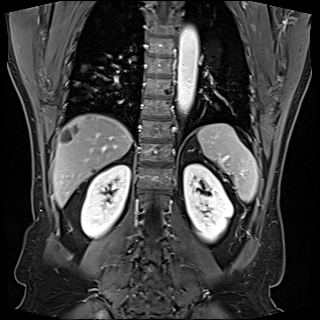

Magnetic resonance imaging, abdomen — Coronal slice 15/60 — 1st–99th percentile window
<organs><organ name="spleen" x1="197" y1="123" x2="258" y2="201"/><organ name="right kidney" x1="81" y1="164" x2="130" y2="237"/><organ name="left kidney" x1="183" y1="163" x2="232" y2="241"/><organ name="liver" x1="52" y1="114" x2="132" y2="206"/><organ name="aorta" x1="177" y1="26" x2="198" y2="113"/></organs>